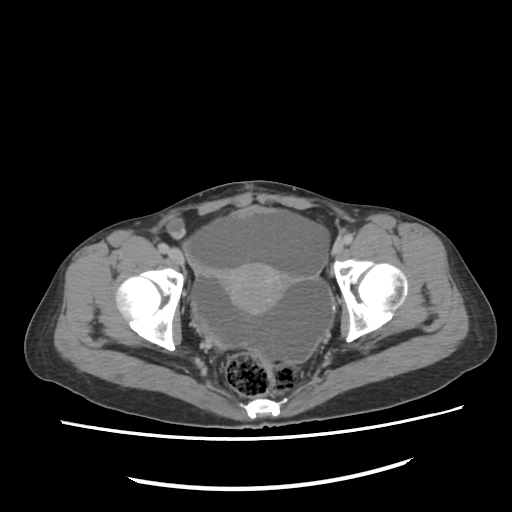
CT, abdomen/pelvis · Axial slice 25/112 · soft-tissue window (W 400 / L 40)
Boxes: x1 y1 x2 y2 (pixel coords, space-separated).
Organ bounding boxes:
- prostate/uterus: 227 265 282 312